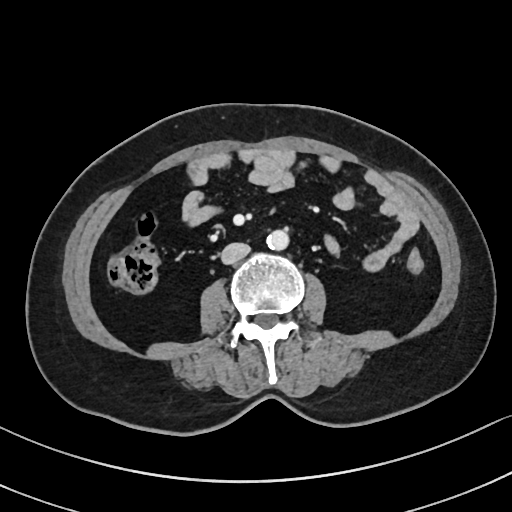
CT, abdomen/pelvis. axial view
One row per box, in pixels: columns x1 and y1 give the top-left corner, x2 and y2 the bottom-right.
| organ | x1 | y1 | x2 | y2 |
|---|---|---|---|---|
| aorta | 267 | 229 | 288 | 250 |
| inferior vena cava | 220 | 242 | 250 | 263 |